Abdominal CT reaching into the chest; this slice is in the chest · axial view · W/L 400/40 HU
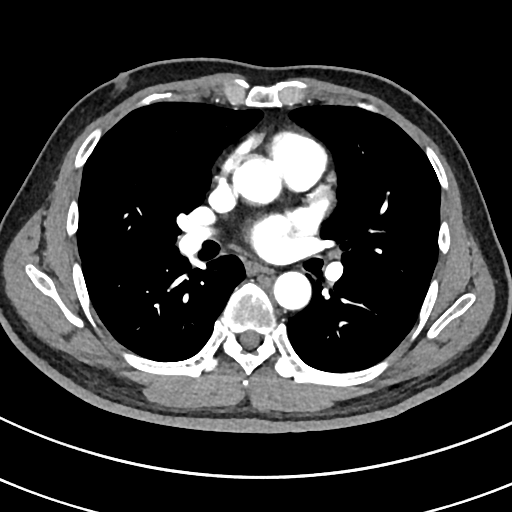

At this level of the chest no structure but the esophagus and the aorta has a label in this dataset, and those two are boxed only where they are labeled.
Each box given as x1,y1,x2,y2.
Organ bounding boxes:
- esophagus: x1=248, y1=264, x2=271, y2=273
- aorta: x1=233, y1=155, x2=281, y2=204
- aorta: x1=273, y1=271, x2=311, y2=310